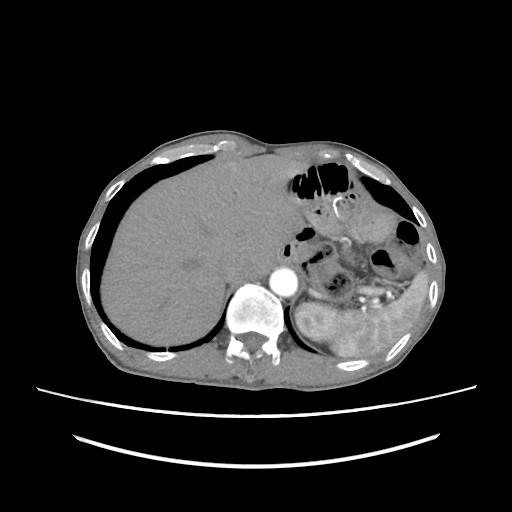
CT, abdomen/pelvis · axial plane, index 72 · W/L 400/40 HU · 62-year-old male patient · scan has 15 labeled organs (a whole-scan count: organs this slice does not pass through have no box)
Boxes are (x1, y1, x2, y2) in pixels.
left kidney: (295, 302, 337, 341)
liver: (101, 154, 308, 345)
aorta: (269, 268, 297, 296)
spleen: (329, 271, 428, 357)
inferior vena cava: (221, 257, 247, 281)